CT, abdomen/pelvis; axial plane, index 54; abdomen soft-tissue window; 768x768 px; 15 organs annotated in this scan (counted over the whole 3D scan, not this slice; an organ is boxed only where this slice passes through it)
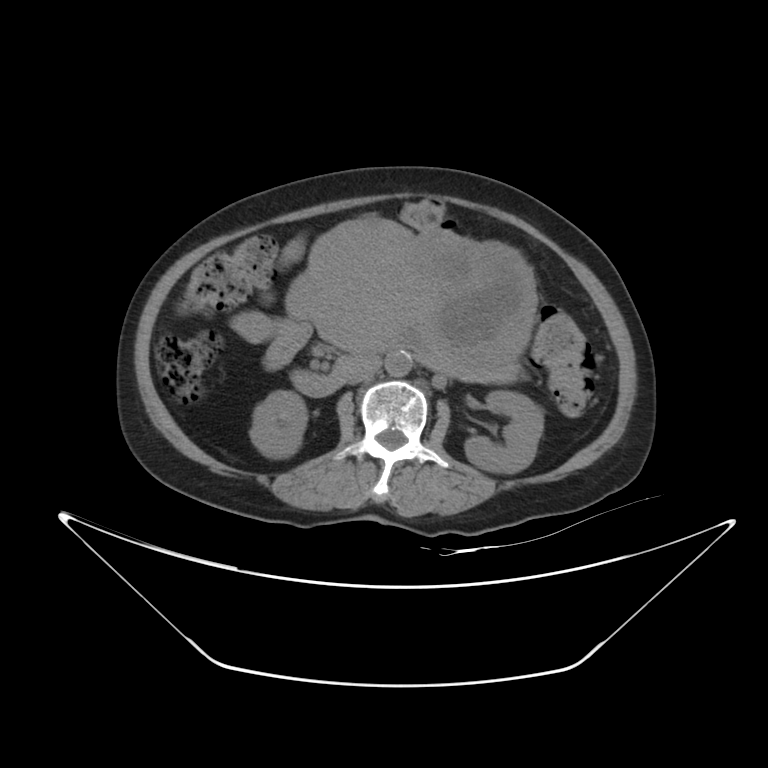

{"organs":{"right kidney":[250,391,307,457],"left kidney":[465,390,544,472],"stomach":[285,220,536,372],"aorta":[385,352,412,376],"inferior vena cava":[347,357,380,384],"pancreas":[418,358,512,381],"duodenum":[291,353,362,396]}}